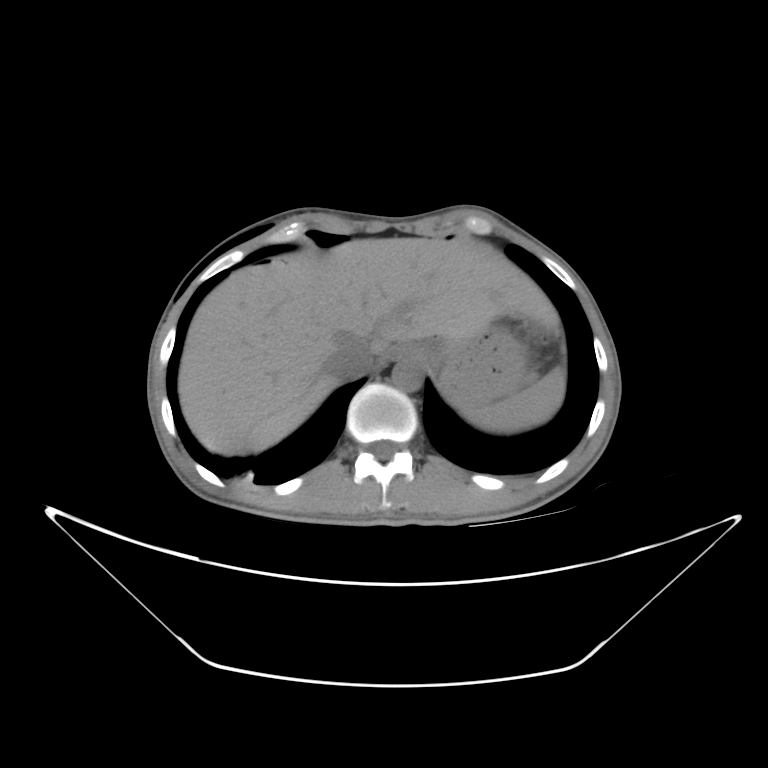

CT abdomen. axial view. abdomen soft-tissue window. 768x768 px. scan has 15 labeled organs (that count is for the whole scan; organs this slice misses have no box)
Boxes: x1 y1 x2 y2 (pixel coords, space-separated).
spleen: 465 366 564 432
liver: 177 238 552 455
stomach: 389 325 523 400
aorta: 392 359 419 390
inferior vena cava: 326 341 373 378